Abdominal MR; axial view; percentile-normalized; 320x260 px; 13 organs annotated in this scan (that count is for the whole scan; organs this slice misses have no box)
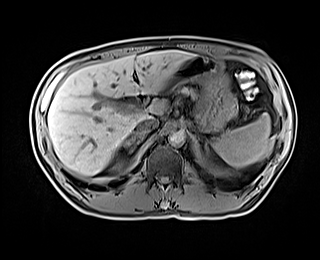

Boxes: x1 y1 x2 y2 (pixel coords, space-separated). The annotated organs in this slice are: spleen at 213 113 270 167, right kidney at 115 162 120 168, liver at 47 50 194 175, stomach at 160 55 236 131, aorta at 169 130 184 146, inferior vena cava at 136 118 158 132, pancreas at 177 87 196 97, right adrenal gland at 124 132 145 155, left adrenal gland at 205 140 209 152.